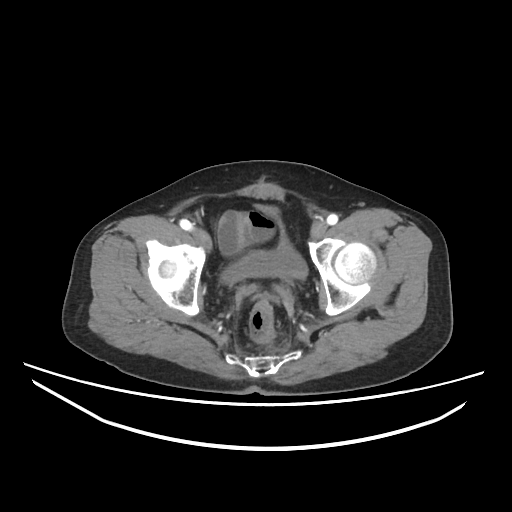

CT, abdomen/pelvis. Axial slice 21/124. abdomen soft-tissue window. Aquilion ONE scanner. 15 organs annotated in this scan (a whole-scan count: organs this slice does not pass through have no box)
Boxes: x1:y1:x2:y2 in pixels. 1 labeled organ on this slice — bladder at 221:204:307:283.